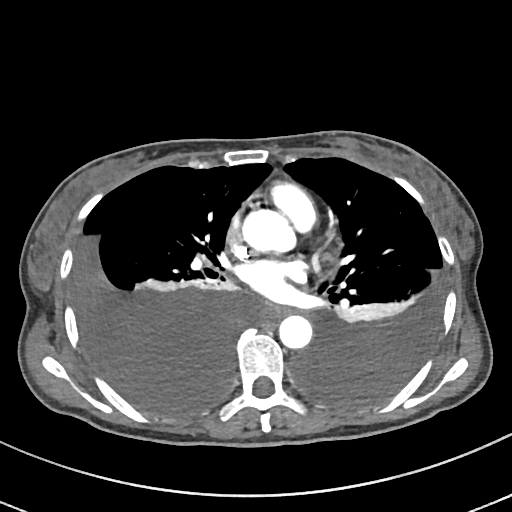
Abdominal CT; this slice is in the lower chest, just above the liver. axial plane, index 235. soft-tissue window. 512x512 px. SOMATOM Force scanner. scan has 15 labeled organs (that count is for the whole scan; organs this slice misses have no box)
No part of the heart or lungs is labeled in this dataset, so neither has a box here. Bounding boxes as [x1, y1, x2, y2] in pixel coordinates. The annotated organs in this slice are: aorta at [242, 209, 295, 253], aorta at [279, 315, 312, 349], esophagus at [263, 305, 287, 318].